CT abdomen — axial plane, index 184 — abdomen soft-tissue window
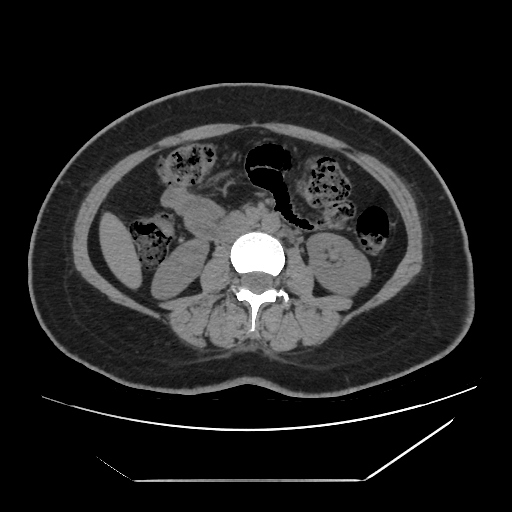
{"organs":{"liver":[100,214,140,287],"duodenum":[232,214,248,225],"right kidney":[152,239,207,297],"left kidney":[307,233,370,293],"inferior vena cava":[222,223,250,243],"aorta":[261,213,280,232]}}